Computed tomography, abdomen; axial view; W/L 400/40 HU; 512x512 px; acquired on SOMATOM Force
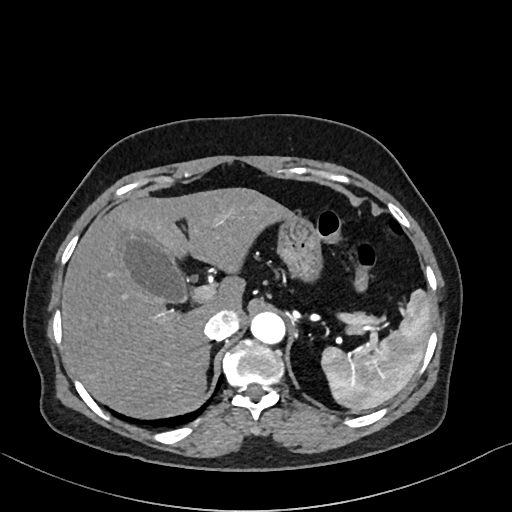
Boxes: x1 y1 x2 y2 (pixel coords, space-separated).
gall bladder: 119 231 187 303
inferior vena cava: 203 309 239 340
liver: 61 187 292 418
spleen: 321 289 431 412
stomach: 277 213 322 282
right adrenal gland: 206 345 211 365
aorta: 251 312 285 344
pancreas: 348 323 360 333